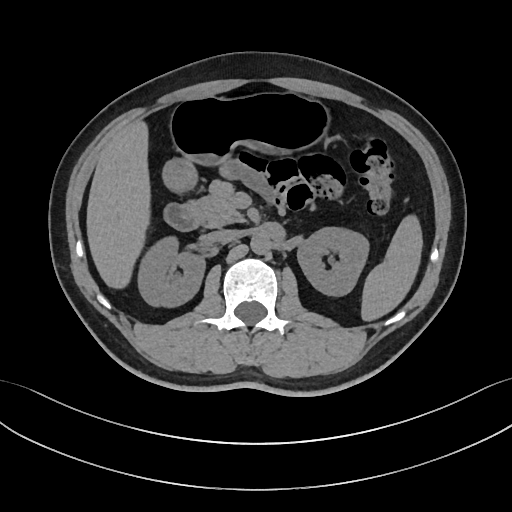 Computed tomography, abdomen — axial plane, index 154
Coordinates as <box>x1,y1,x2,y2</box> in pixels.
Organ bounding boxes:
- spleen: <box>361,216,421,320</box>
- inferior vena cava: <box>210,230,239,242</box>
- stomach: <box>162,94,327,191</box>
- liver: <box>87,122,149,286</box>
- right kidney: <box>137,236,204,306</box>
- duodenum: <box>162,203,196,230</box>
- pancreas: <box>183,181,246,227</box>
- aorta: <box>250,233,270,253</box>
- left kidney: <box>297,226,369,296</box>